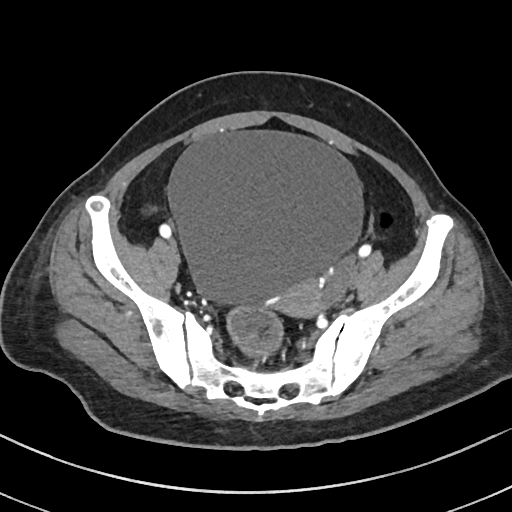 CT abdomen; axial view; soft-tissue window; 512x512 px
Boxes: x1:y1:x2:y2 in pixels.
bladder: 168:131:365:305
prostate/uterus: 274:277:320:317